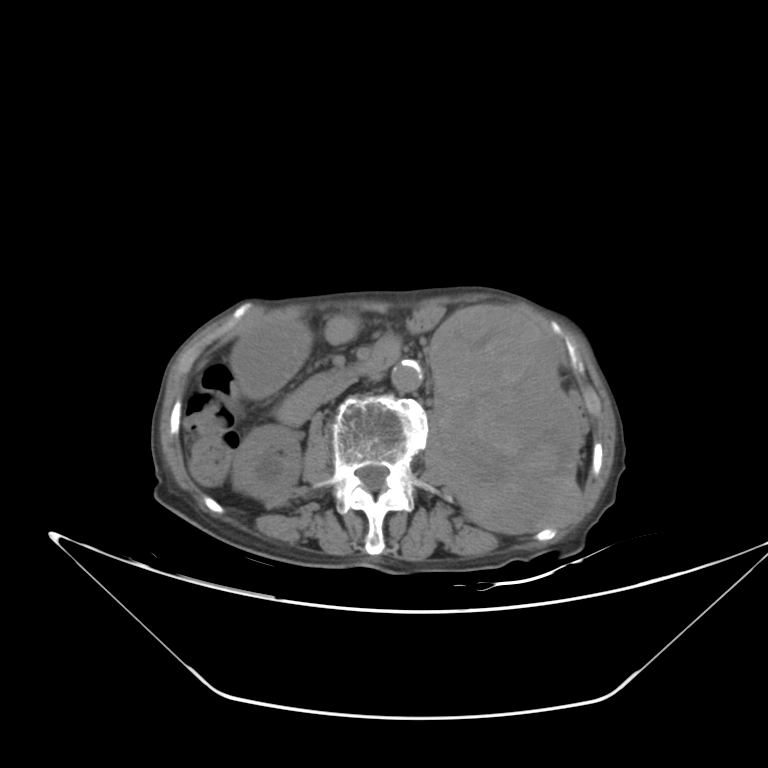
CT abdomen; axial plane, index 52; soft-tissue window (W 400 / L 40); 15 organs annotated in this scan (a whole-scan count: organs this slice does not pass through have no box)
Each box given as x1,y1,x2,y2.
Organ bounding boxes:
- duodenum: x1=275, y1=335, x2=400, y2=424
- stomach: x1=230, y1=317, x2=309, y2=399
- right kidney: x1=233, y1=423, x2=300, y2=504
- aorta: x1=392, y1=359, x2=425, y2=392
- left kidney: x1=428, y1=305, x2=583, y2=533
- inferior vena cava: x1=323, y1=379, x2=356, y2=405